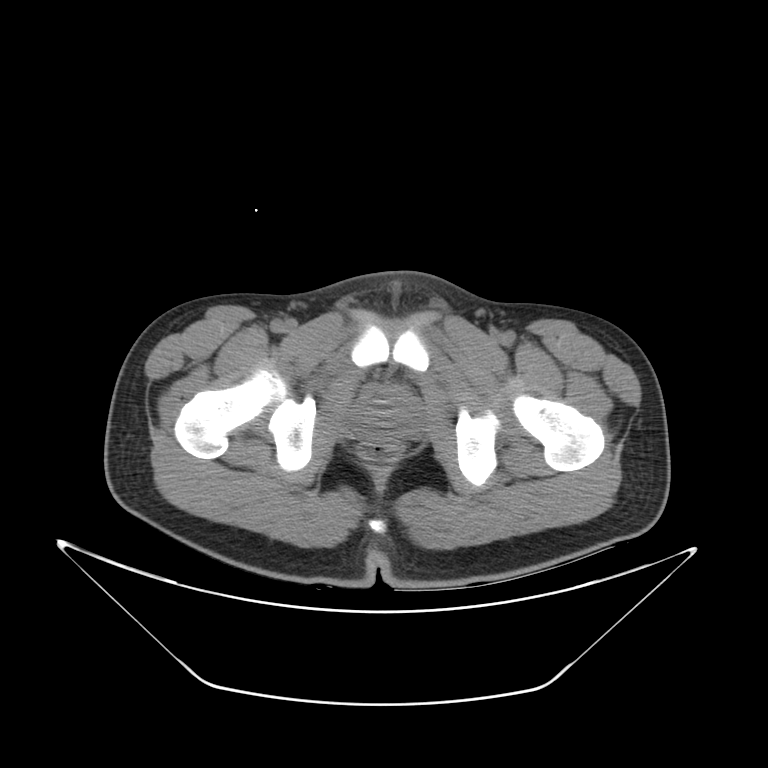

CT abdomen · Axial slice 17/102 · W/L 400/40 HU · 16-year-old male patient · 15 organs annotated in this scan (a whole-scan count: organs this slice does not pass through have no box)
Boxes: x1 y1 x2 y2 (pixel coords, space-separated).
prostate/uterus: 359 391 414 433